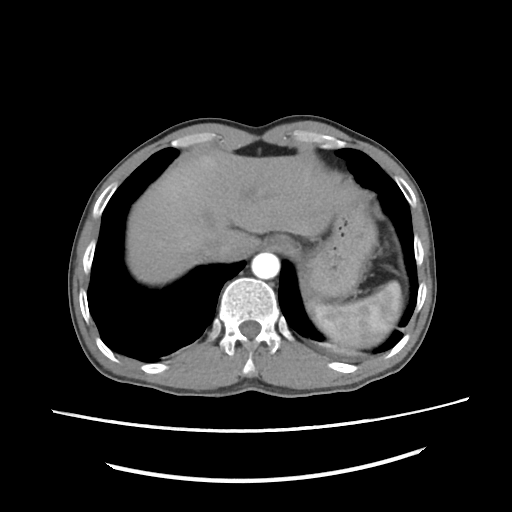 CT abdomen · axial view · 512x512 px · Aquilion ONE scanner
Bounding boxes in pixels, one row per box: x1, y1 is the top-left corner and x2, y2 the bottom-right.
| organ | x1 | y1 | x2 | y2 |
|---|---|---|---|---|
| stomach | 307 | 196 | 377 | 300 |
| inferior vena cava | 199 | 238 | 229 | 262 |
| liver | 126 | 151 | 357 | 283 |
| esophagus | 270 | 234 | 298 | 253 |
| aorta | 251 | 252 | 281 | 279 |
| spleen | 306 | 280 | 403 | 346 |